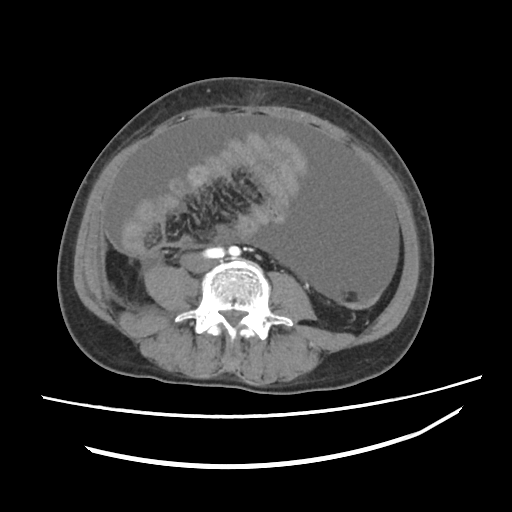

CT abdomen — axial view — 50-year-old male patient
{"organs":{"inferior vena cava":[179,254,208,272]}}